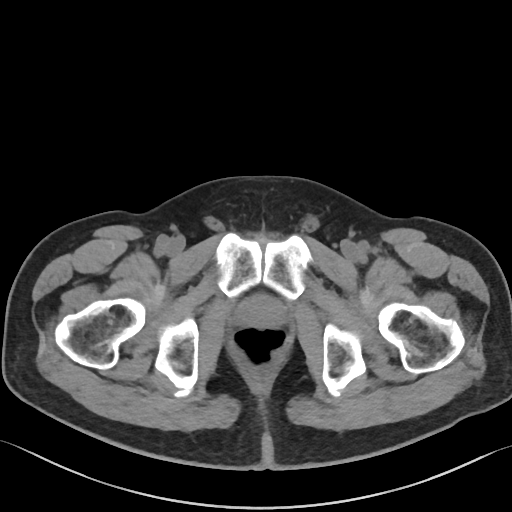 CT abdomen · axial view · 512x512 px · scan has 15 labeled organs (that count is for the whole scan; organs this slice misses have no box)
<organs><organ name="prostate/uterus" x1="237" y1="295" x2="283" y2="328"/></organs>